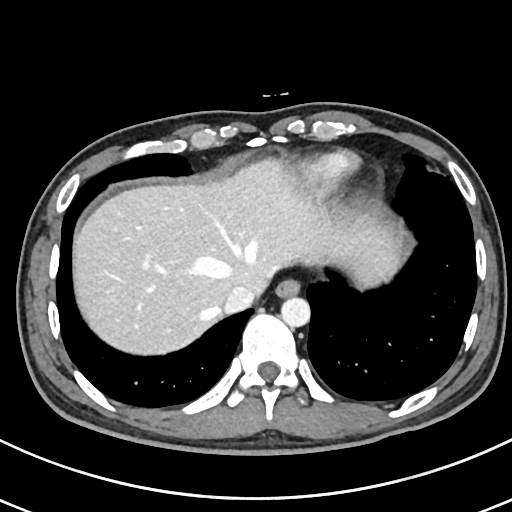
CT, abdomen/pelvis — axial view — 512x512 px
Boxes: x1 y1 x2 y2 (pixel coords, space-separated).
Organ bounding boxes:
- esophagus: 276 279 300 297
- inferior vena cava: 222 285 255 313
- aorta: 281 296 310 326
- liver: 73 158 399 355